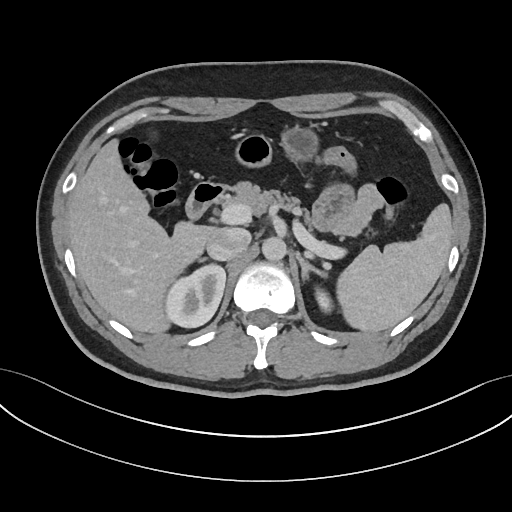

CT abdomen. axial plane, index 189. abdomen soft-tissue window. SOMATOM Force scanner. scan has 15 labeled organs (a whole-scan count: organs this slice does not pass through have no box)
{"organs":{"spleen":[337,203,451,331],"right kidney":[167,264,225,328],"left kidney":[314,286,332,313],"liver":[68,139,213,332],"stomach":[237,127,317,165],"aorta":[262,236,286,260],"inferior vena cava":[207,227,251,260],"pancreas":[220,180,299,212],"right adrenal gland":[198,256,207,262],"left adrenal gland":[295,251,328,279],"duodenum":[185,183,227,220]}}